CT of the abdomen reaching into the lower chest, slice just above the liver and spleen · axial view · soft-tissue window (W 400 / L 40) · 512x512 px · 50-year-old male patient
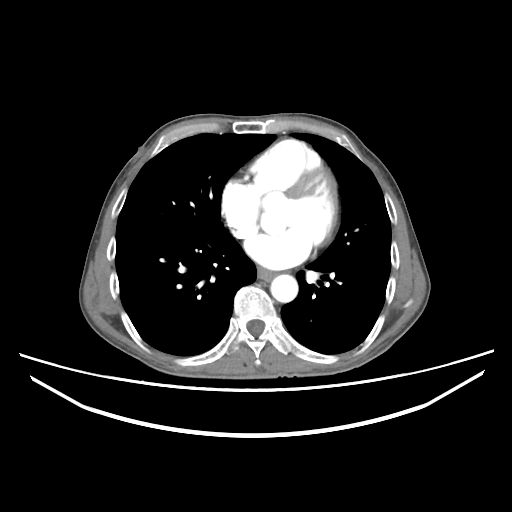 The heart and lungs are never labeled in this dataset, so they have no box on this slice.
Organ boxes in pixel coordinates; each row gives the top-left (x1, y1) and bottom-right (x2, y2) corners.
| organ | x1 | y1 | x2 | y2 |
|---|---|---|---|---|
| aorta | 270 | 274 | 298 | 302 |
| esophagus | 257 | 268 | 274 | 280 |